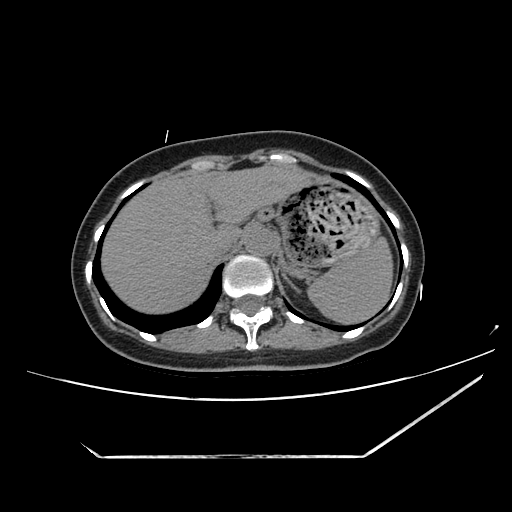

CT abdomen; axial view; 512x512 px
{"organs":{"spleen":[307,237,392,323],"liver":[101,164,318,313],"stomach":[258,178,378,268],"aorta":[244,228,277,256],"inferior vena cava":[205,237,236,260],"left adrenal gland":[282,271,295,288]}}